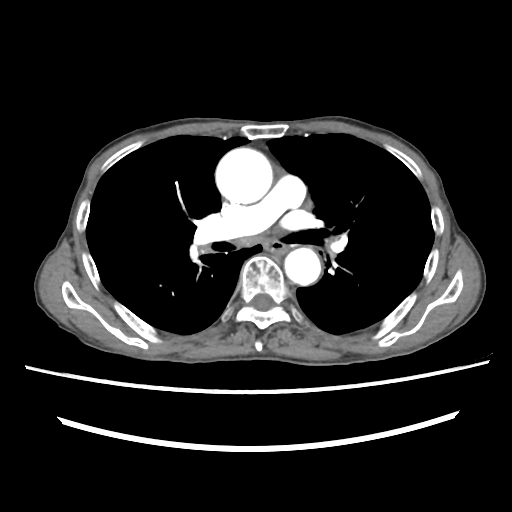 Chest-level slice from an abdominal CT that extends up into the chest. axial view. 81-year-old male patient. Aquilion ONE scanner
At this level of the chest no structure but the esophagus and the aorta has a label in this dataset, and those two are boxed only where they are labeled.
{"organs":{"aorta":[[216,148,272,203],[284,248,321,285]],"esophagus":[264,241,284,252]}}